CT, abdomen/pelvis — Axial slice 63/123 — W/L 400/40 HU — 512x512 px
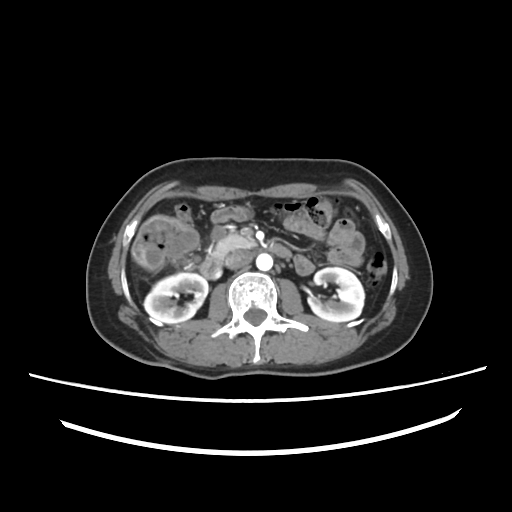
<organs><organ name="right kidney" x1="144" y1="272" x2="207" y2="323"/><organ name="left kidney" x1="309" y1="267" x2="364" y2="321"/><organ name="aorta" x1="256" y1="253" x2="273" y2="271"/><organ name="inferior vena cava" x1="225" y1="250" x2="252" y2="269"/><organ name="pancreas" x1="214" y1="234" x2="255" y2="257"/><organ name="duodenum" x1="200" y1="243" x2="291" y2="277"/></organs>